Abdominal CT — axial plane, index 50 — 512x512 px — 41-year-old male patient
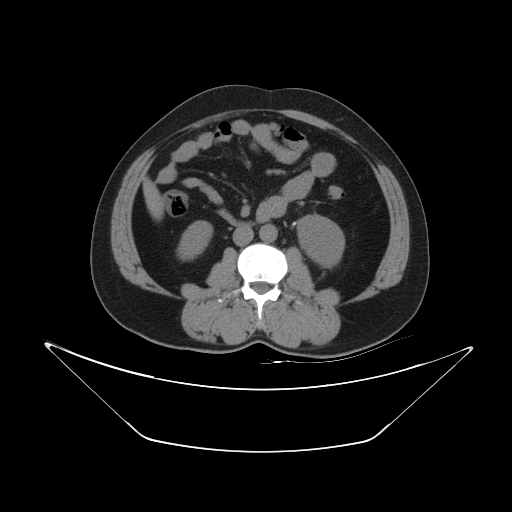
{"organs":{"right kidney":[177,220,212,259],"left kidney":[297,215,344,267],"liver":[142,177,163,220],"aorta":[259,224,277,242],"inferior vena cava":[232,224,253,245],"duodenum":[219,210,243,225]}}